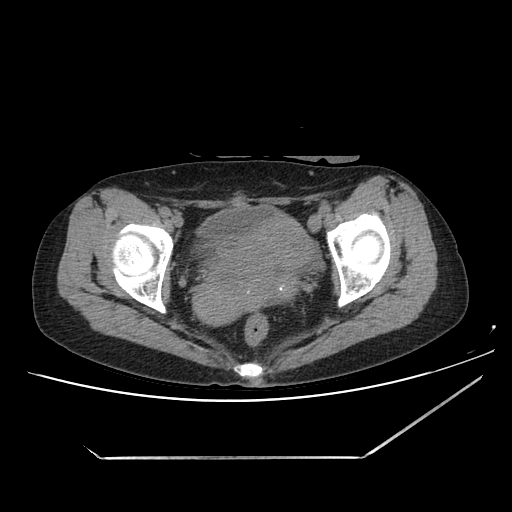 Computed tomography, abdomen; axial plane, index 19; 512x512 px
Bounding boxes as [x1, y1, x2, y2] in pixel coordinates.
Organ bounding boxes:
- prostate/uterus: [191, 216, 312, 323]
- bladder: [196, 206, 281, 253]